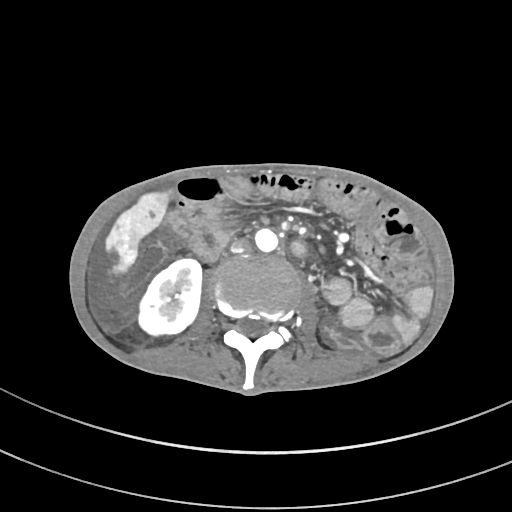
Computed tomography, abdomen. Axial slice 111/218. 512x512 px. 15 organs annotated in this scan (counted over the whole 3D scan, not this slice; an organ is boxed only where this slice passes through it)
{"organs":{"right kidney":[137,259,201,337],"liver":[103,191,168,282],"aorta":[254,228,277,251],"inferior vena cava":[230,239,250,253]}}